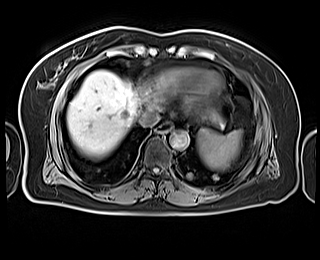 Abdominal MR — axial view — 1st–99th percentile window
{"organs":{"esophagus":[157,123,172,132],"spleen":[197,129,242,170],"inferior vena cava":[138,109,158,126],"liver":[67,70,225,156],"aorta":[169,131,189,149]}}